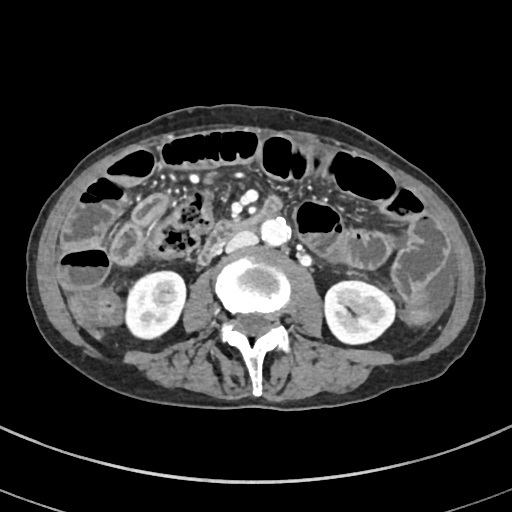 CT abdomen — axial view
Boxes: x1:y1:x2:y2 in pixels.
right kidney: 126:271:185:338
left kidney: 324:280:395:343
aorta: 260:217:290:245
inferior vena cava: 225:230:257:252
duodenum: 197:196:282:265